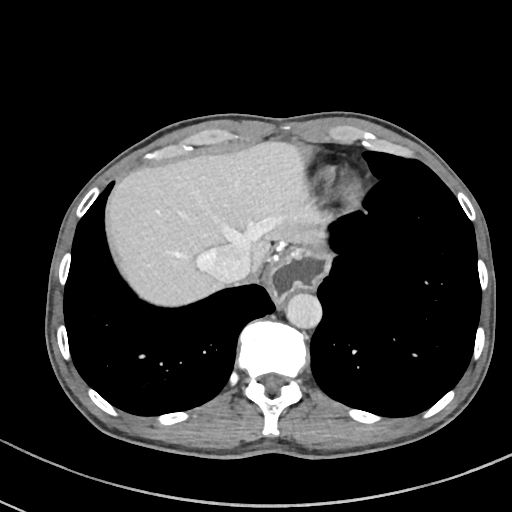
Abdominal CT. axial plane, index 187. W/L 400/40 HU. scan has 15 labeled organs (counted over the whole 3D scan, not this slice; an organ is boxed only where this slice passes through it)
<organs><organ name="esophagus" x1="271" y1="286" x2="278" y2="299"/><organ name="liver" x1="110" y1="140" x2="334" y2="307"/><organ name="stomach" x1="271" y1="247" x2="330" y2="299"/><organ name="aorta" x1="285" y1="292" x2="321" y2="328"/><organ name="inferior vena cava" x1="205" y1="245" x2="251" y2="284"/></organs>